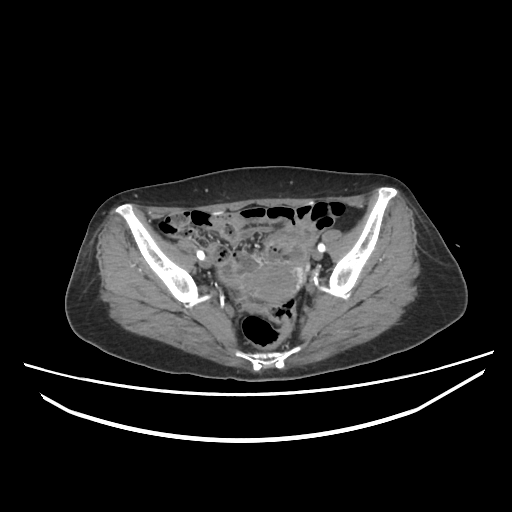 CT abdomen. axial view. W/L 400/40 HU. 63-year-old female patient. acquired on Aquilion ONE
Boxes: x1 y1 x2 y2 (pixel coords, space-separated).
Organ bounding boxes:
- prostate/uterus: 246 266 296 302